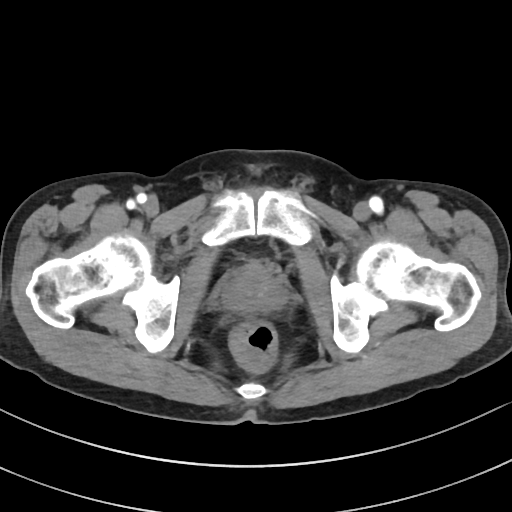 CT, abdomen/pelvis · axial plane, index 9 · W/L 400/40 HU
Coordinates as <box>x1,y1,x2,y2</box> in pixels.
Organ bounding boxes:
- prostate/uterus: <box>223,264,284,313</box>